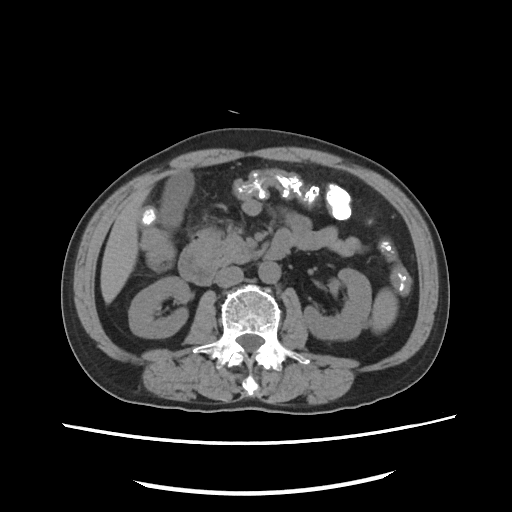
Computed tomography, abdomen — axial view — abdomen soft-tissue window
Each box given as x1,y1,x2,y2.
pancreas: x1=212, y1=233, x2=250, y2=264
inferior vena cava: x1=215, y1=266, x2=243, y2=287
duodenum: x1=178, y1=234, x2=290, y2=285
aorta: x1=258, y1=261, x2=280, y2=283
right kidney: x1=128, y1=276, x2=190, y2=337
gall bladder: x1=158, y1=170, x2=194, y2=229
liver: x1=100, y1=188, x2=149, y2=303
stomach: x1=191, y1=229, x2=222, y2=254
left kidney: x1=303, y1=268, x2=371, y2=339
spleen: x1=370, y1=288, x2=397, y2=333